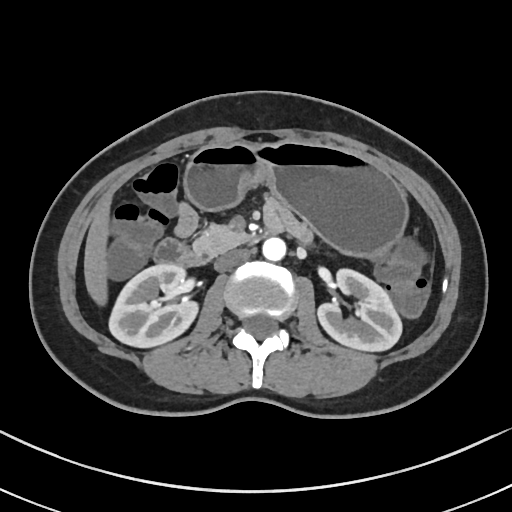

CT, abdomen/pelvis — axial view
Boxes: x1:y1:x2:y2 in pixels.
right kidney: 109:265:200:348
liver: 83:195:113:301
left kidney: 316:270:402:352
inferior vena cava: 214:249:248:271
stomach: 184:141:409:259
duodenum: 153:223:281:267
pancreas: 192:224:248:255
aorta: 262:238:285:261